Computed tomography, abdomen — axial view — W/L 400/40 HU — 15 organs annotated in this scan (a whole-scan count: organs this slice does not pass through have no box)
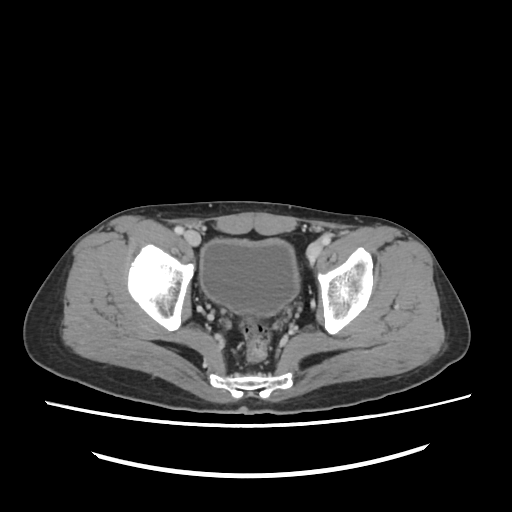
Bounding boxes in pixels, one row per box: x1, y1 is the top-left corner and x2, y2 the bottom-right.
| organ | x1 | y1 | x2 | y2 |
|---|---|---|---|---|
| bladder | 200 | 238 | 299 | 314 |